Lower-chest slice from an abdominal CT, just above the liver and spleen — axial view — 512x512 px — SOMATOM Force scanner — scan has 15 labeled organs (a whole-scan count: organs this slice does not pass through have no box)
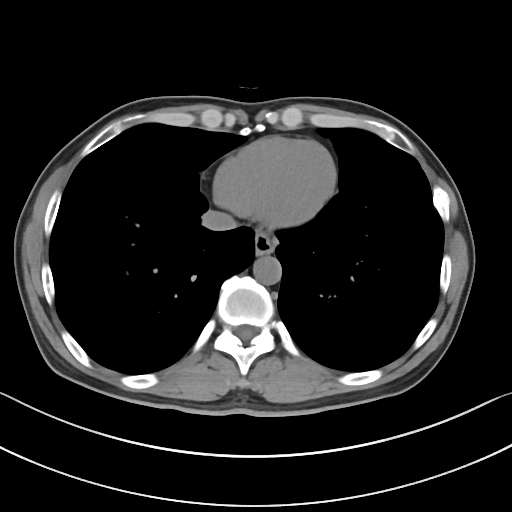

No part of the heart or lungs is labeled in this dataset, so neither has a box here.
Coordinates as <box>x1,y1,x2,y2</box> in pixels.
esophagus: <box>254,232,276,255</box>
aorta: <box>253,256,281,284</box>
inferior vena cava: <box>202,210,236,230</box>